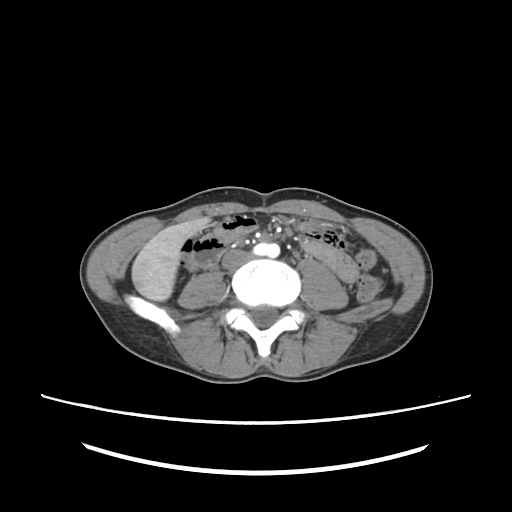 CT abdomen — axial view — 512x512 px — 46-year-old male patient
{"organs":{"inferior vena cava":[222,250,251,270],"liver":[132,218,207,301],"stomach":[298,219,321,227]}}